Abdominal CT. axial view. 512x512 px
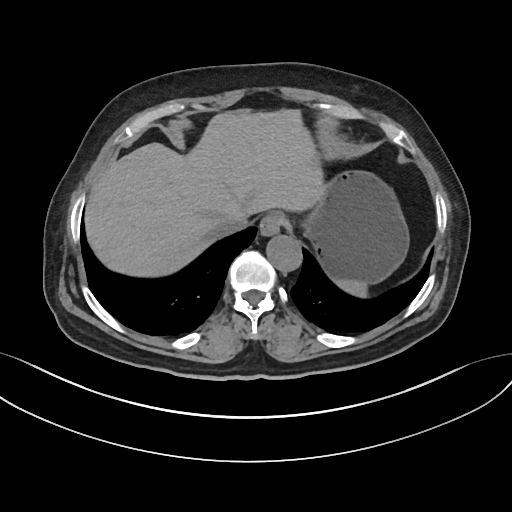 <organs><organ name="spleen" x1="334" y1="278" x2="366" y2="296"/><organ name="esophagus" x1="260" y1="214" x2="282" y2="236"/><organ name="liver" x1="86" y1="110" x2="324" y2="275"/><organ name="stomach" x1="307" y1="172" x2="408" y2="283"/><organ name="aorta" x1="267" y1="236" x2="302" y2="272"/><organ name="inferior vena cava" x1="217" y1="209" x2="251" y2="233"/></organs>